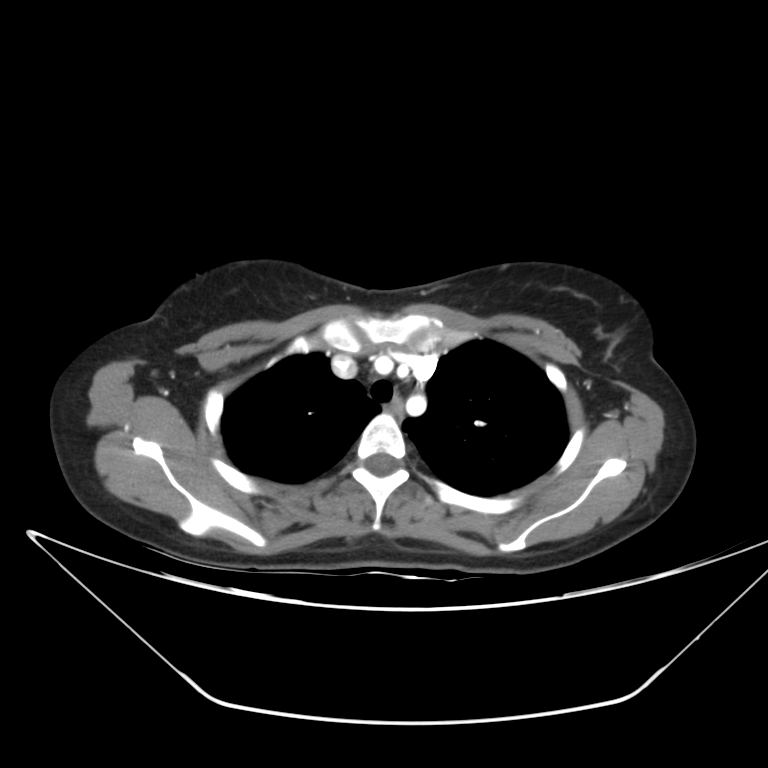
Chest-level CT slice, above the liver and spleen. axial plane, index 61. Brilliance16 scanner
At this level of the chest this dataset labels only the esophagus and the aorta, and each is boxed only where it is labeled; the heart and lungs are never labeled.
{"organs":{"esophagus":[386,400,403,415]}}